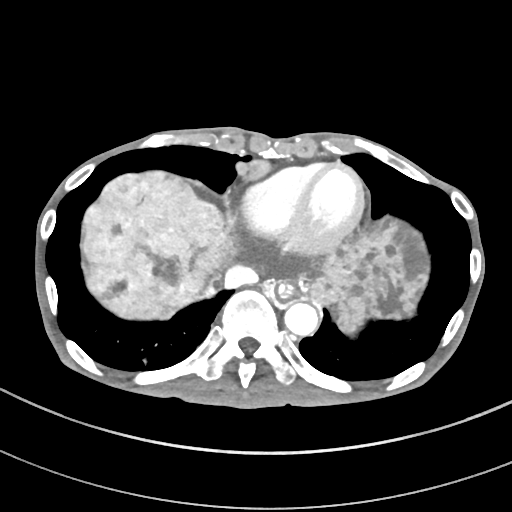
Computed tomography, abdomen — axial view
Each box given as x1,y1,x2,y2.
Organ bounding boxes:
- esophagus: x1=278, y1=280, x2=296, y2=299
- liver: x1=79, y1=170, x2=429, y2=335
- aorta: x1=284, y1=302, x2=318, y2=336
- inferior vena cava: x1=225, y1=267, x2=258, y2=289